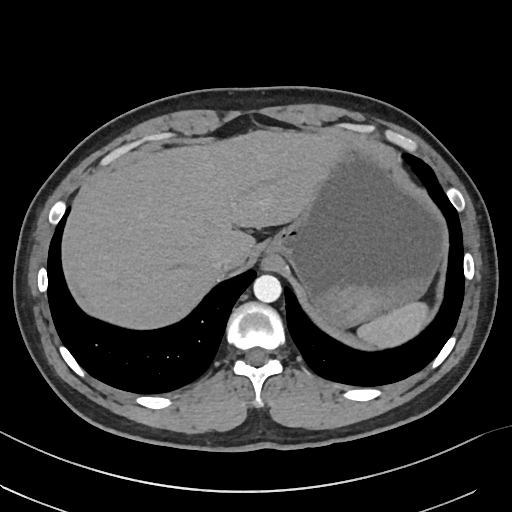

Computed tomography, abdomen; axial view; abdomen soft-tissue window; 512x512 px; scan has 15 labeled organs (that count is for the whole scan; organs this slice misses have no box)
Boxes: x1 y1 x2 y2 (pixel coords, space-separated).
spleen: 357 302 428 348
liver: 71 130 346 328
stomach: 265 142 444 327
aorta: 253 275 281 302
inferior vena cava: 212 249 239 272